CT abdomen; axial view; 54-year-old female patient
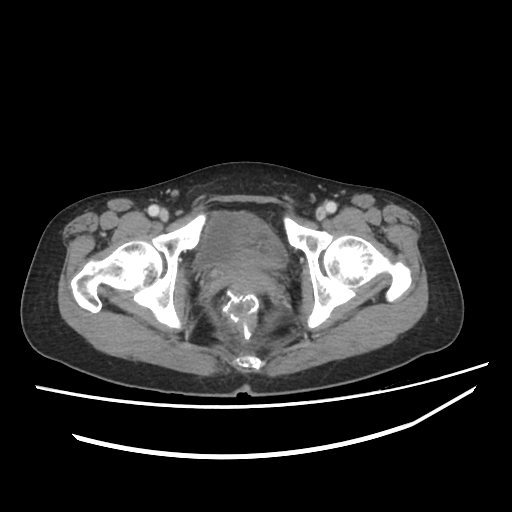
Boxes are (x1, y1, x2, y2) in pixels.
Organ bounding boxes:
- bladder: (195, 212, 286, 268)
- prostate/uterus: (224, 261, 270, 291)